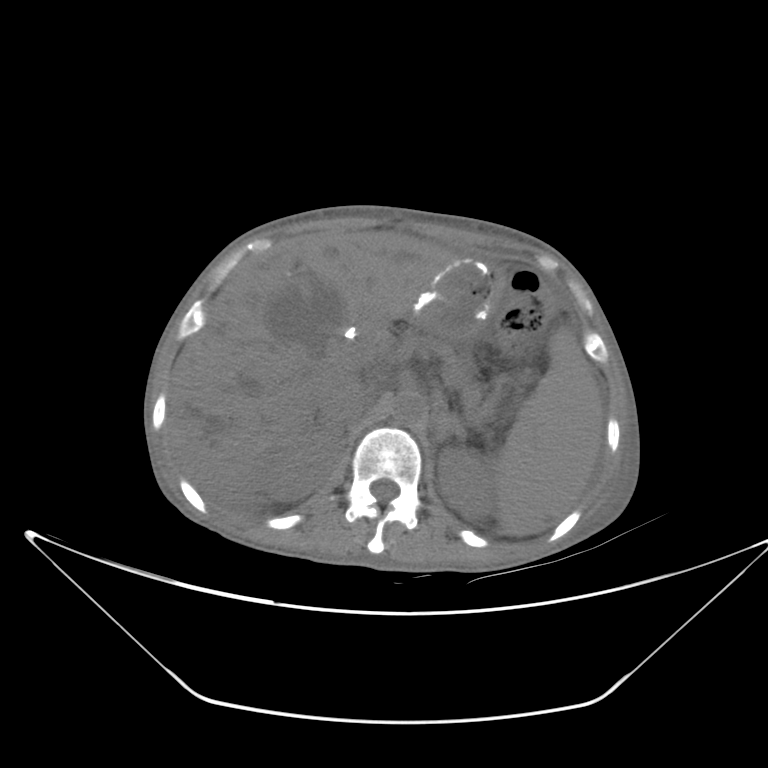 CT abdomen — Axial slice 75/105
Bounding boxes in pixels, one row per box: x1, y1 is the top-left corner and x2, y2 the bottom-right.
| organ | x1 | y1 | x2 | y2 |
|---|---|---|---|---|
| spleen | 496 | 326 | 603 | 535 |
| right kidney | 256 | 425 | 343 | 500 |
| left kidney | 437 | 448 | 497 | 520 |
| gall bladder | 265 | 284 | 325 | 344 |
| liver | 167 | 231 | 457 | 505 |
| stomach | 414 | 256 | 501 | 339 |
| aorta | 392 | 390 | 427 | 427 |
| inferior vena cava | 328 | 379 | 373 | 420 |
| pancreas | 439 | 345 | 493 | 415 |
| left adrenal gland | 435 | 414 | 466 | 444 |